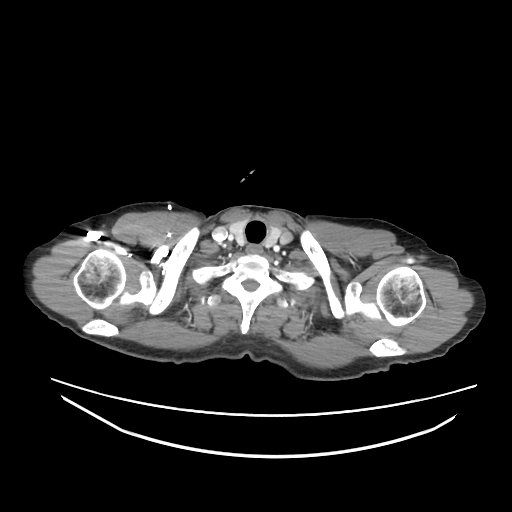
Abdominal CT reaching into the chest; this slice is in the chest; axial view; soft-tissue window (W 400 / L 40); 512x512 px; 52-year-old male patient; acquired on Aquilion ONE
On a slice this high in the chest, this dataset labels only the esophagus and the aorta, and each is boxed only where it is labeled; the heart, lungs and other chest structures are not labeled. Boxes: x1 y1 x2 y2 (pixel coords, space-separated). 1 labeled organ on this slice — esophagus at 247 244 261 253.